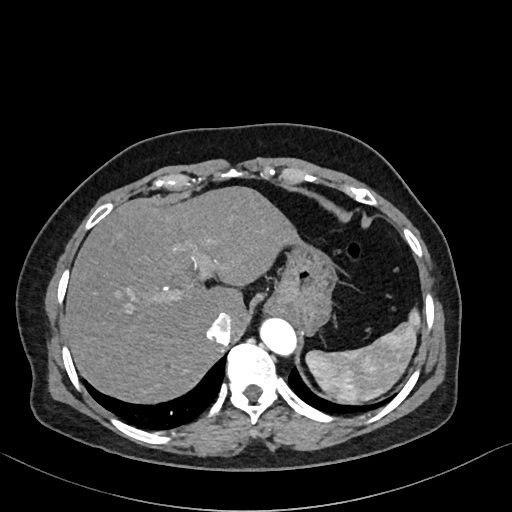 Computed tomography, abdomen. axial plane, index 182. abdomen soft-tissue window
Bounding boxes as [x1, y1, x2, y2] in pixel coordinates.
spleen: [306, 311, 420, 401]
liver: [66, 186, 298, 401]
stomach: [263, 240, 335, 334]
aorta: [260, 318, 297, 357]
inferior vena cava: [208, 313, 232, 343]